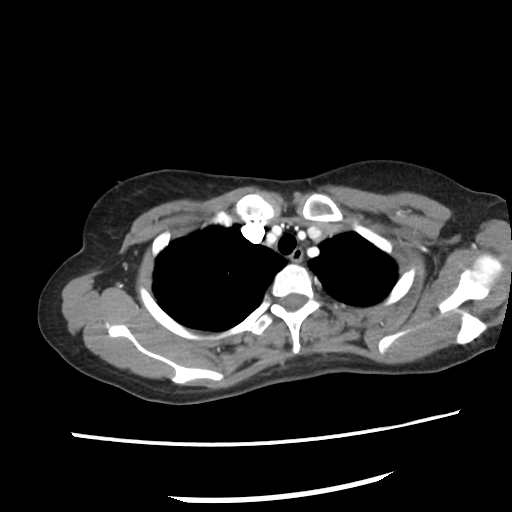 Chest-level slice from an abdominal CT that extends up into the chest; axial plane, index 116; 34-year-old female patient
At this level of the chest no structure but the esophagus and the aorta has a label in this dataset, and those two are boxed only where they are labeled.
{"organs":{"esophagus":[290,248,302,263]}}